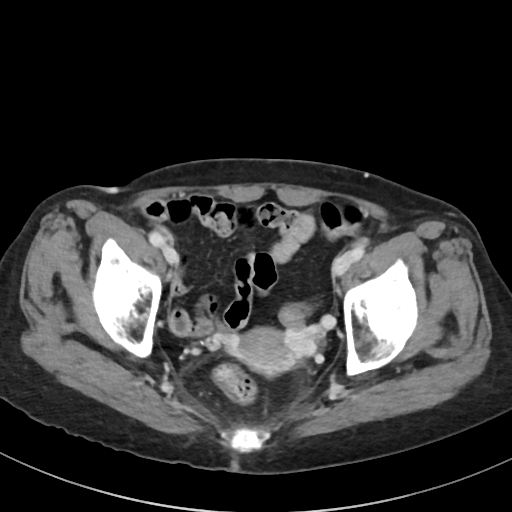 CT, abdomen/pelvis; axial view; abdomen soft-tissue window
{"organs":{"prostate/uterus":[232,327,297,376]}}